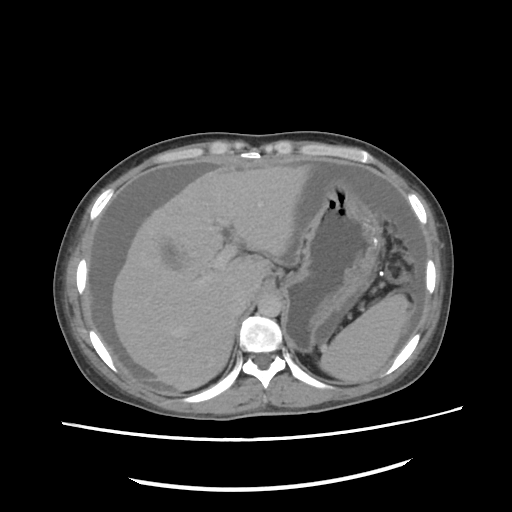 Computed tomography, abdomen — Axial slice 94/112 — 39-year-old female patient
<organs><organ name="liver" x1="110" y1="161" x2="313" y2="391"/><organ name="aorta" x1="258" y1="295" x2="281" y2="316"/><organ name="inferior vena cava" x1="230" y1="288" x2="253" y2="317"/><organ name="spleen" x1="318" y1="295" x2="406" y2="383"/><organ name="stomach" x1="280" y1="175" x2="382" y2="352"/><organ name="gall bladder" x1="159" y1="239" x2="182" y2="268"/></organs>